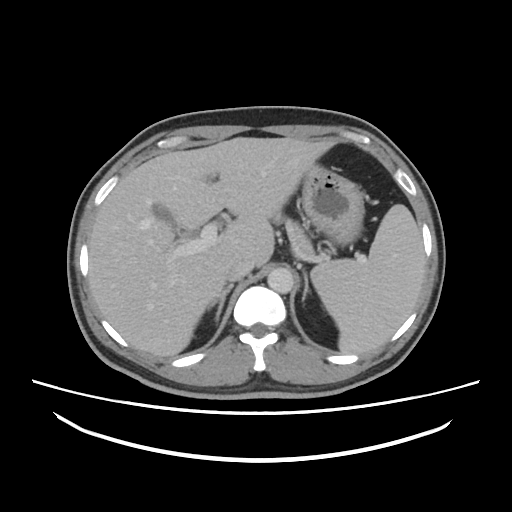 CT, abdomen/pelvis · axial view · abdomen soft-tissue window · 512x512 px · Aquilion ONE scanner · scan has 15 labeled organs (a whole-scan count: organs this slice does not pass through have no box)
{"organs":{"spleen":[311,204,424,354],"gall bladder":[153,205,174,225],"liver":[89,137,367,356],"stomach":[301,164,364,245],"aorta":[267,267,293,293],"inferior vena cava":[226,257,253,281],"pancreas":[289,221,314,258],"right adrenal gland":[207,284,233,321],"left adrenal gland":[302,271,309,300]}}